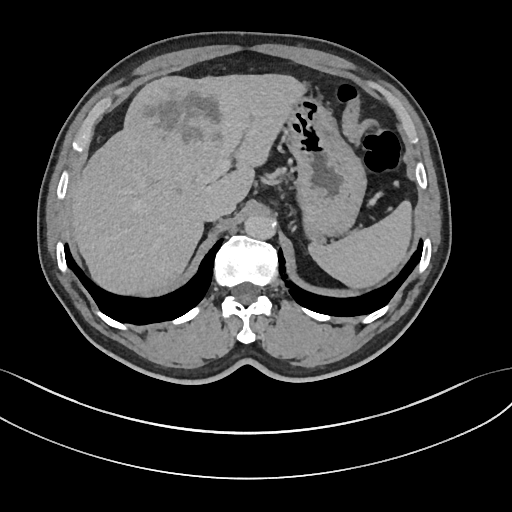
Abdominal CT. axial view. 512x512 px. acquired on SOMATOM Force
{"organs":{"spleen":[307,201,411,287],"liver":[69,74,307,293],"stomach":[287,98,367,243],"aorta":[244,214,275,239],"inferior vena cava":[201,196,234,220]}}